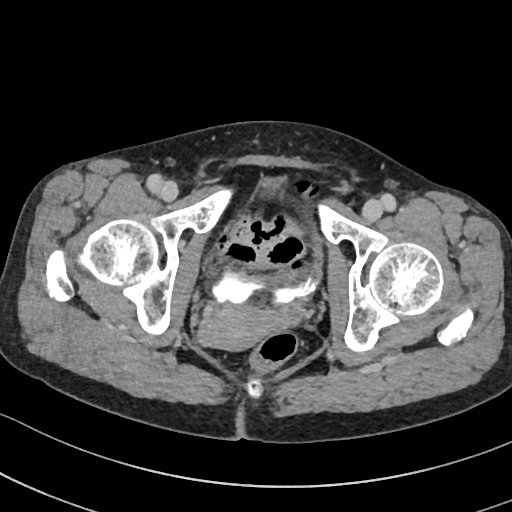

CT, abdomen/pelvis · axial view · soft-tissue window (W 400 / L 40) · 512x512 px
Each box given as x1,y1,x2,y2.
bladder: x1=211, y1=229, x2=322, y2=303
prostate/uterus: x1=199, y1=304, x2=293, y2=350